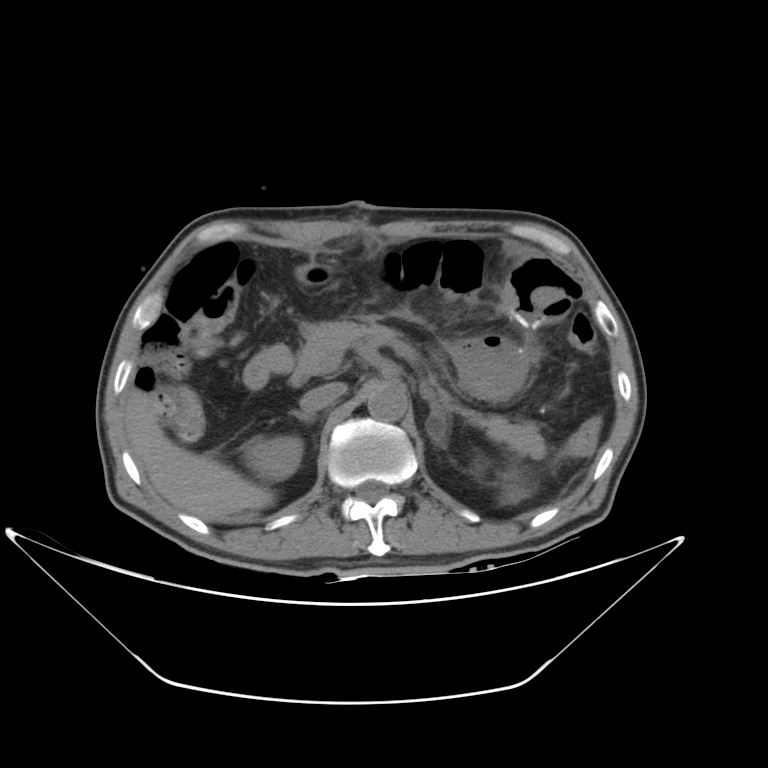 CT, abdomen/pelvis. axial view. W/L 400/40 HU. 65-year-old male patient
{"organs":{"spleen":[501,473,528,504],"right kidney":[242,435,303,482],"liver":[125,387,275,519],"stomach":[457,342,526,398],"aorta":[367,383,407,421],"inferior vena cava":[300,383,345,412],"pancreas":[263,317,546,458],"right adrenal gland":[292,411,316,422],"left adrenal gland":[421,388,446,447],"duodenum":[243,348,270,389]}}